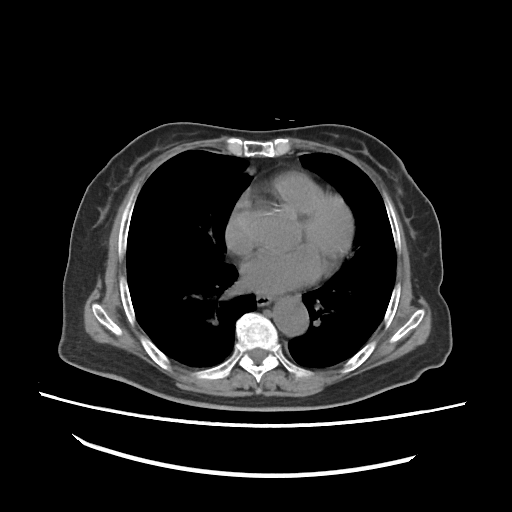 Abdominal CT; this slice is in the lower chest, just above the liver — Axial slice 94/100 — 512x512 px
Of the structures in the chest, this dataset labels only the esophagus, the aorta and the inferior vena cava; the heart and lungs have no label.
Organ boxes in pixel coordinates; each row gives the top-left (x1, y1) and bottom-right (x2, y2) corners.
| organ | x1 | y1 | x2 | y2 |
|---|---|---|---|---|
| esophagus | 254 | 296 | 271 | 305 |
| aorta | 272 | 300 | 309 | 335 |